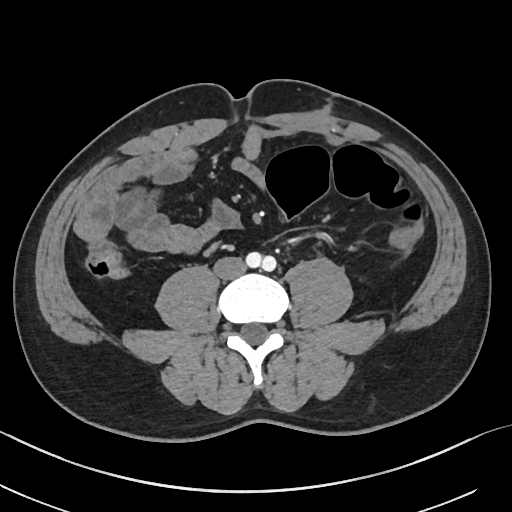

CT, abdomen/pelvis. axial view. acquired on SOMATOM Force
{"organs":{"aorta":[246,252,276,271],"inferior vena cava":[213,256,246,280]}}